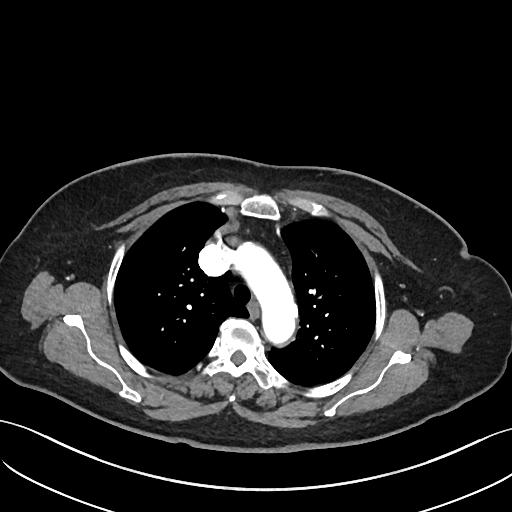 Chest-level slice from an abdominal CT that extends up into the chest · axial view · soft-tissue window, W/L 400/40
At this level of the chest this dataset labels only the esophagus and the aorta, and each is boxed only where it is labeled; the heart and lungs are never labeled.
<organs><organ name="esophagus" x1="247" y1="302" x2="258" y2="317"/><organ name="aorta" x1="231" y1="243" x2="297" y2="343"/></organs>